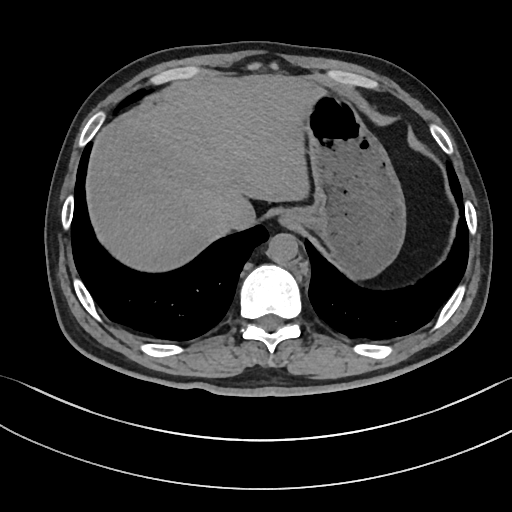
Computed tomography, abdomen; axial view
{"organs":{"esophagus":[281,217,289,223],"liver":[86,75,320,272],"stomach":[283,89,406,279],"aorta":[266,233,298,263],"inferior vena cava":[218,204,245,229]}}